Abdominal CT; Axial slice 11/83; 41-year-old male patient; 15 organs annotated in this scan (counted over the whole 3D scan, not this slice; an organ is boxed only where this slice passes through it)
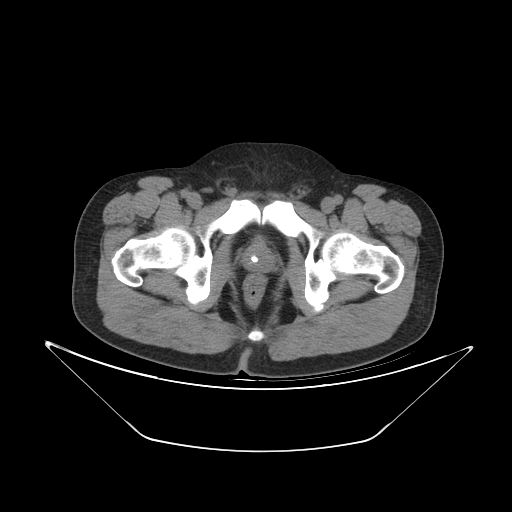 <organs><organ name="bladder" x1="254" y1="235" x2="262" y2="243"/><organ name="prostate/uterus" x1="241" y1="244" x2="275" y2="271"/></organs>